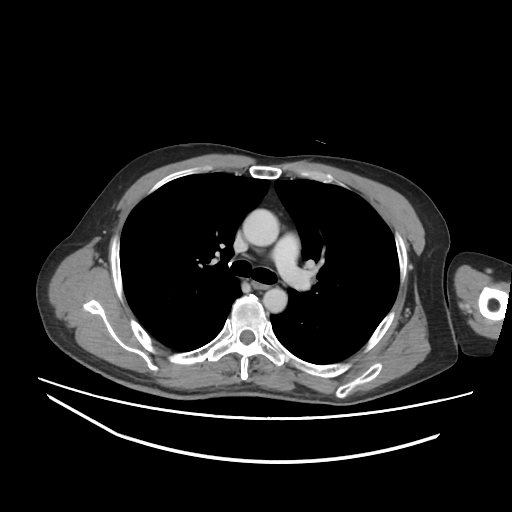
Chest-level CT slice, above the liver and spleen. axial view. acquired on Aquilion ONE. scan has 15 labeled organs (counted over the whole 3D scan, not this slice; an organ is boxed only where this slice passes through it)
On a slice this high in the chest, this dataset labels only the esophagus and the aorta, and each is boxed only where it is labeled; the heart, lungs and other chest structures are not labeled.
Each box given as x1,y1,x2,y2.
Organ bounding boxes:
- esophagus: x1=251, y1=279, x2=269, y2=289
- aorta: x1=243, y1=209, x2=279, y2=246
- aorta: x1=263, y1=288, x2=287, y2=312